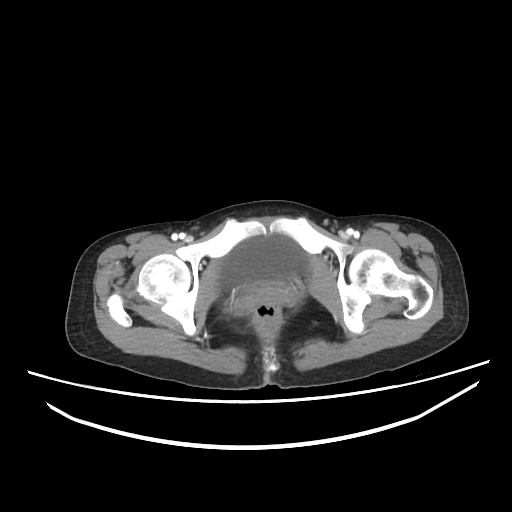

Computed tomography, abdomen. axial view. soft-tissue window (W 400 / L 40). 43-year-old female patient. scan has 15 labeled organs (counted over the whole 3D scan, not this slice; an organ is boxed only where this slice passes through it)
Boxes are (x1, y1, x2, y2) in pixels.
Organ bounding boxes:
- bladder: (219, 235, 306, 285)